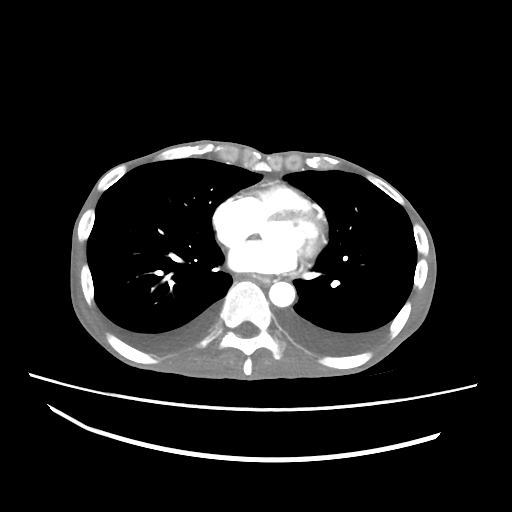
Abdominal CT; this slice is in the lower chest, just above the liver; axial plane, index 87; soft-tissue window, W/L 400/40; 512x512 px; scan has 15 labeled organs (counted over the whole 3D scan, not this slice; an organ is boxed only where this slice passes through it)
The heart and lungs are never labeled in this dataset, so they have no box on this slice.
Organ boxes in pixel coordinates; each row gives the top-left (x1, y1) and bottom-right (x2, y2) corners.
| organ | x1 | y1 | x2 | y2 |
|---|---|---|---|---|
| esophagus | 251 | 274 | 272 | 280 |
| aorta | 269 | 281 | 295 | 306 |